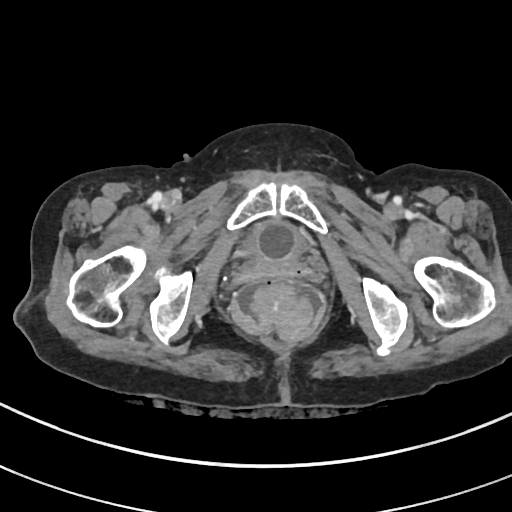
Computed tomography, abdomen. axial plane, index 8. W/L 400/40 HU. 512x512 px
<organs><organ name="bladder" x1="244" y1="221" x2="307" y2="260"/></organs>